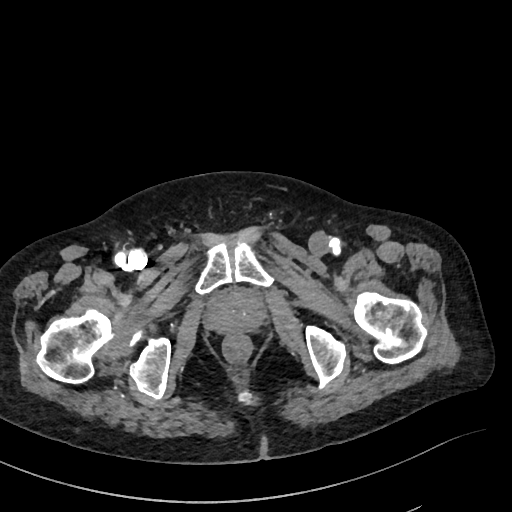
Abdominal CT; axial view; W/L 400/40 HU; 512x512 px; SOMATOM Force scanner
Bounding boxes in pixels, one row per box: x1, y1 is the top-left corner and x2, y2 the bottom-right.
| organ | x1 | y1 | x2 | y2 |
|---|---|---|---|---|
| prostate/uterus | 206 | 290 | 265 | 334 |